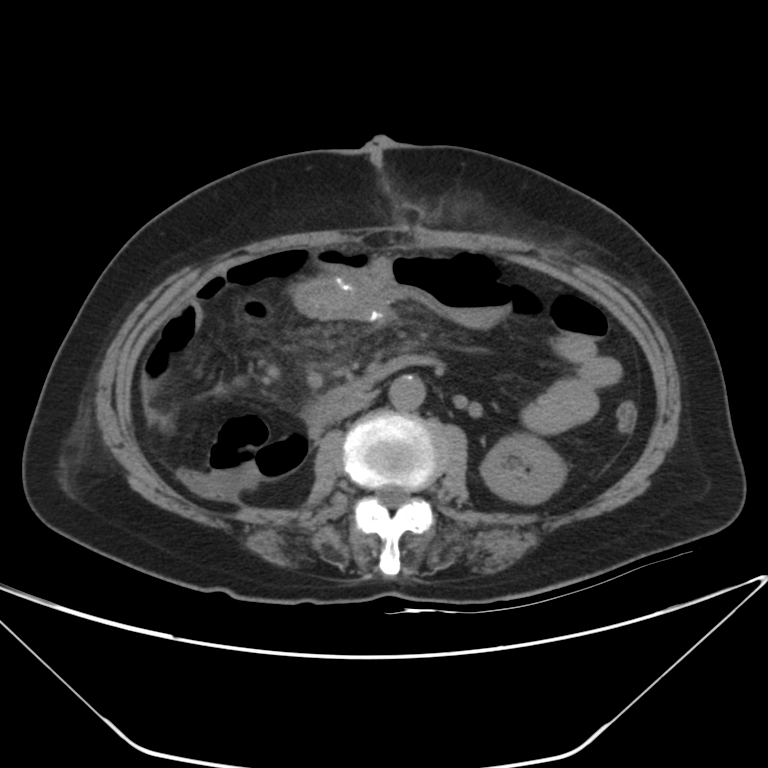
Abdominal CT; axial plane, index 52; soft-tissue window; 768x768 px; 66-year-old female patient
{"organs":{"left kidney":[481,434,565,503],"inferior vena cava":[338,392,374,417],"duodenum":[305,354,439,429],"aorta":[389,374,425,410]}}